Computed tomography, abdomen; axial plane, index 62; soft-tissue window (W 400 / L 40); 72-year-old male patient
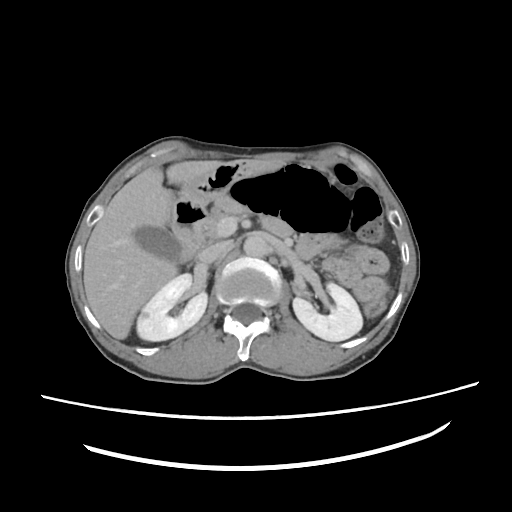
<organs><organ name="pancreas" x1="194" y1="196" x2="242" y2="245"/><organ name="liver" x1="84" y1="161" x2="224" y2="339"/><organ name="inferior vena cava" x1="197" y1="240" x2="233" y2="262"/><organ name="right kidney" x1="136" y1="273" x2="208" y2="341"/><organ name="aorta" x1="243" y1="237" x2="267" y2="257"/><organ name="stomach" x1="180" y1="159" x2="283" y2="205"/><organ name="duodenum" x1="171" y1="198" x2="207" y2="263"/><organ name="left kidney" x1="293" y1="282" x2="361" y2="341"/><organ name="gall bladder" x1="134" y1="227" x2="181" y2="260"/></organs>